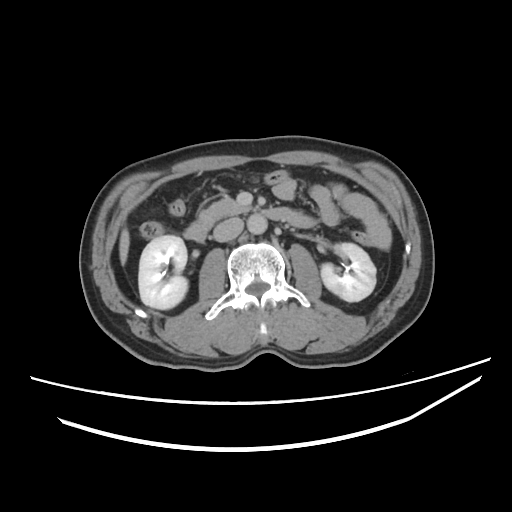 CT, abdomen/pelvis; axial plane, index 69; soft-tissue window; 58-year-old male patient; scan has 15 labeled organs (counted over the whole 3D scan, not this slice; an organ is boxed only where this slice passes through it)
Each box given as x1,y1,x2,y2. The annotated organs in this slice are: right kidney at x1=138, y1=236, x2=187, y2=309, left kidney at x1=321, y1=242, x2=376, y2=300, liver at x1=118, y1=229, x2=130, y2=265, aorta at x1=247, y1=214, x2=266, y2=233, inferior vena cava at x1=214, y1=216, x2=243, y2=242, pancreas at x1=211, y1=197, x2=240, y2=210, duodenum at x1=184, y1=206, x2=315, y2=242.